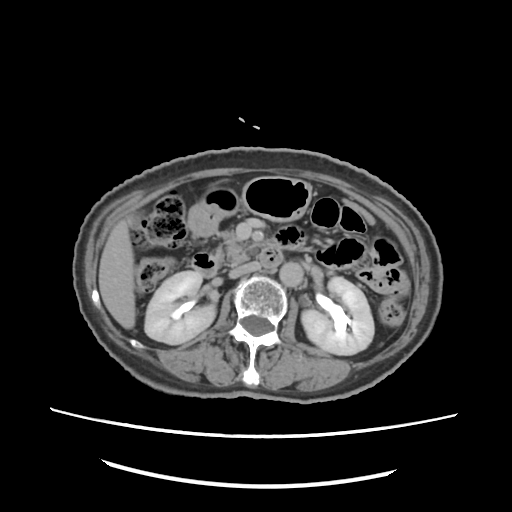

CT, abdomen/pelvis. Axial slice 62/89. 512x512 px. 76-year-old female patient. 15 organs annotated in this scan (a whole-scan count: organs this slice does not pass through have no box)
Coordinates as <box>x1,y1,x2,y2</box> in pixels.
Organ bounding boxes:
- right kidney: <box>143,270,217,345</box>
- left kidney: <box>301,277,374,354</box>
- gall bladder: <box>128,210,142,229</box>
- liver: <box>97,219,135,327</box>
- stomach: <box>188,176,310,235</box>
- aorta: <box>280,261,302,285</box>
- inferior vena cava: <box>230,262,261,277</box>
- pancreas: <box>220,230,272,266</box>
- duodenum: <box>192,248,281,278</box>